Computed tomography, abdomen. axial view. 768x768 px. acquired on Brilliance16
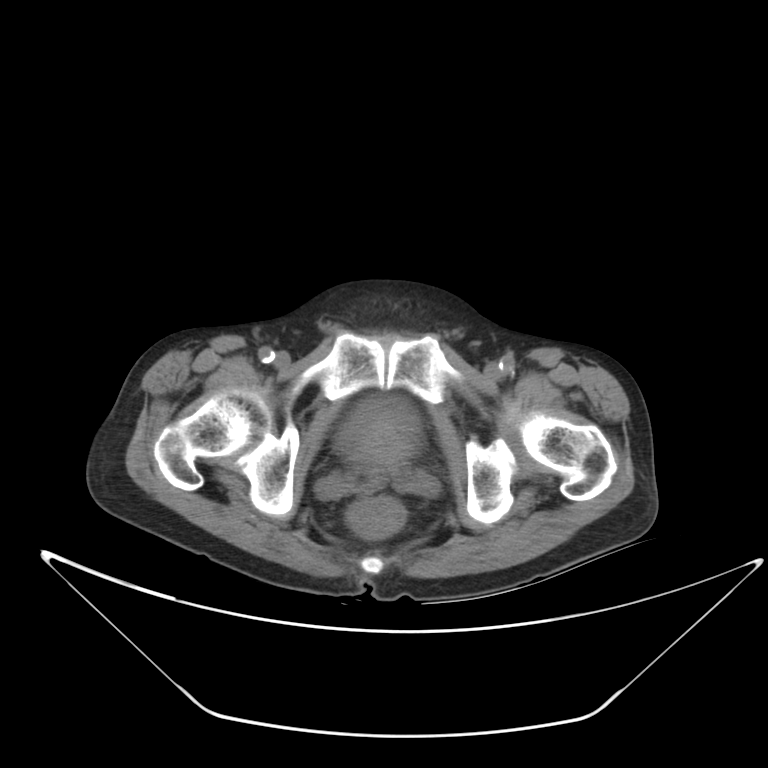
<organs><organ name="bladder" x1="335" y1="398" x2="421" y2="462"/><organ name="prostate/uterus" x1="354" y1="422" x2="411" y2="469"/></organs>